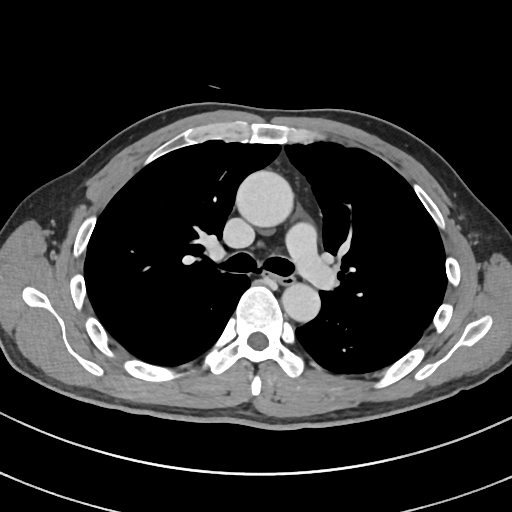
CT of the abdomen extending into the chest, slice through the chest — Axial slice 233/298 — 512x512 px — 15 organs annotated in this scan (counted over the whole 3D scan, not this slice; an organ is boxed only where this slice passes through it)
At this level of the chest no structure but the esophagus and the aorta has a label in this dataset, and those two are boxed only where they are labeled.
Coordinates as <box>x1,y1,x2,y2</box> in pixels.
Organ bounding boxes:
- esophagus: <box>273,275,293,283</box>
- aorta: <box>235,170,293,227</box>
- aorta: <box>282,283,320,322</box>